Computed tomography, abdomen · axial view · abdomen soft-tissue window
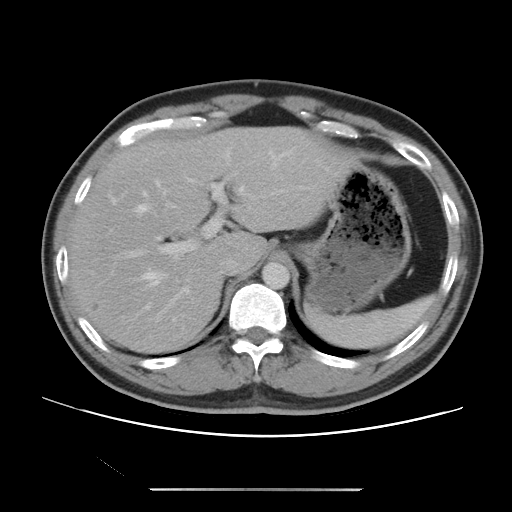
Coordinates as <box>x1,y1,x2,y2</box> in pixels. Labeled organs on this slice: spleen at <box>304,294,434,348</box>, liver at <box>67,126,359,353</box>, stomach at <box>294,165,411,313</box>, aorta at <box>262,262,290,289</box>, inferior vena cava at <box>217,251,241,275</box>.